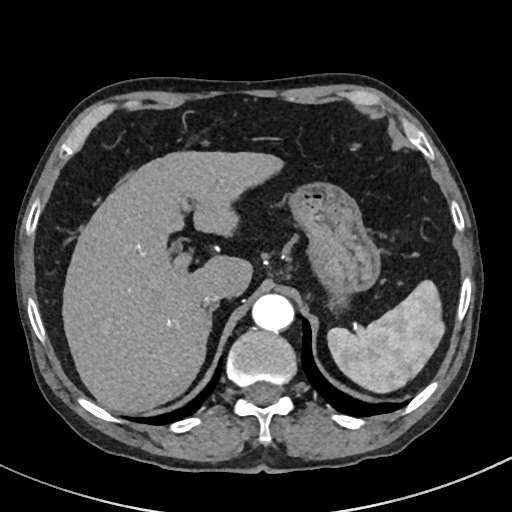 Computed tomography, abdomen — axial view — abdomen soft-tissue window
Bounding boxes in pixels, one row per box: x1, y1 is the top-left corner and x2, y2 the bottom-right.
| organ | x1 | y1 | x2 | y2 |
|---|---|---|---|---|
| spleen | 326 | 281 | 445 | 394 |
| liver | 62 | 152 | 281 | 413 |
| stomach | 290 | 181 | 378 | 290 |
| aorta | 252 | 294 | 295 | 331 |
| inferior vena cava | 200 | 285 | 233 | 307 |
| right adrenal gland | 206 | 305 | 218 | 337 |